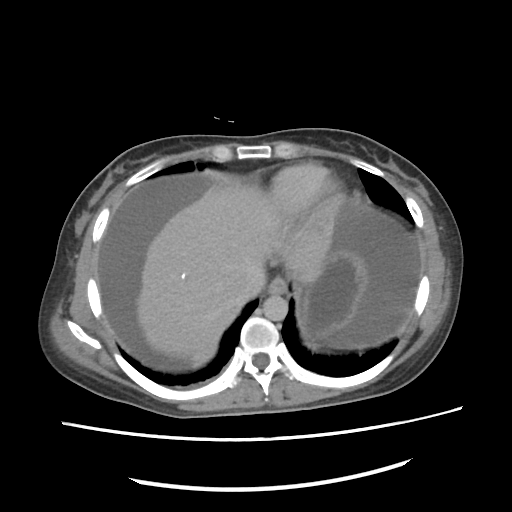

CT abdomen · Axial slice 103/112 · 512x512 px
Organ boxes in pixel coordinates; each row gives the top-left (x1, y1) and bottom-right (x2, y2) corners.
| organ | x1 | y1 | x2 | y2 |
|---|---|---|---|---|
| esophagus | 268 | 278 | 286 | 293 |
| liver | 137 | 185 | 348 | 367 |
| stomach | 298 | 252 | 364 | 342 |
| aorta | 262 | 294 | 288 | 320 |
| inferior vena cava | 239 | 268 | 264 | 299 |